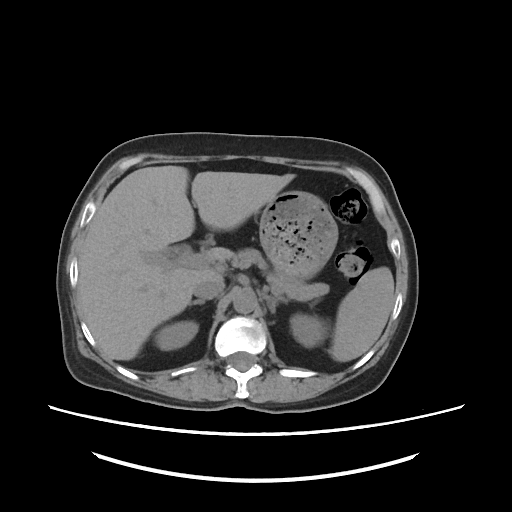
Abdominal CT; axial view; soft-tissue window (W 400 / L 40); acquired on Aquilion ONE
Bounding boxes as [x1, y1, x2, y2] in pixel coordinates.
Organ bounding boxes:
- spleen: [332, 267, 394, 362]
- stomach: [259, 190, 337, 278]
- inferior vena cava: [194, 281, 225, 298]
- left kidney: [290, 313, 322, 348]
- left adrenal gland: [263, 293, 290, 314]
- right kidney: [156, 321, 198, 349]
- aorta: [233, 288, 257, 314]
- right adrenal gland: [190, 299, 205, 305]
- pancreas: [231, 249, 328, 300]
- liver: [78, 165, 294, 360]